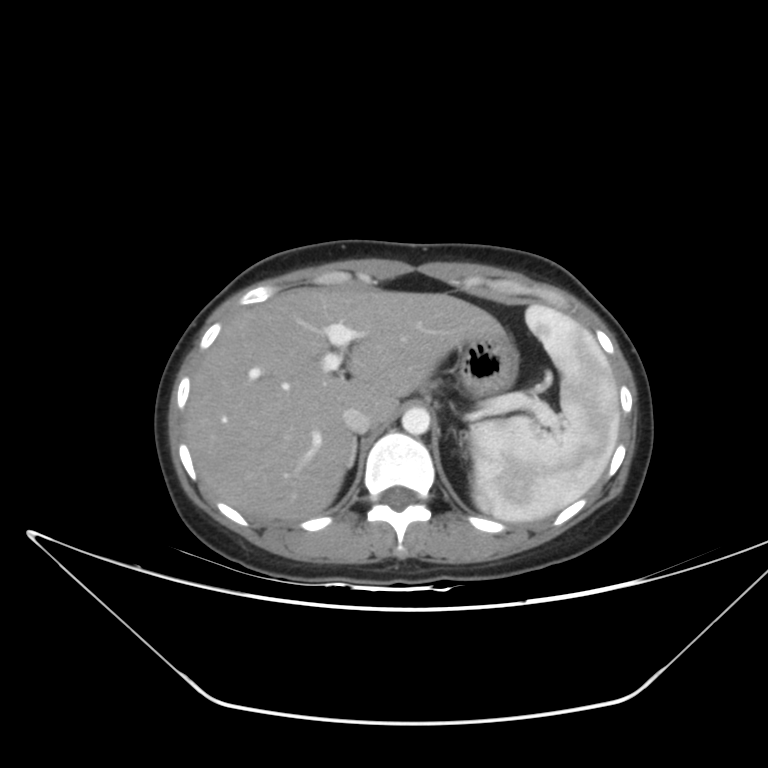
CT abdomen; axial view; 768x768 px; 34-year-old female patient; acquired on Brilliance16; 13 organs annotated in this scan (a whole-scan count: organs this slice does not pass through have no box)
Coordinates as <box>x1,y1,x2,y2</box> in pixels.
Organ bounding boxes:
- spleen: <box>469,304,620,523</box>
- liver: <box>185,287,496,521</box>
- stomach: <box>457,323,518,396</box>
- aorta: <box>402,406,430,435</box>
- inferior vena cava: <box>343,407,371,433</box>
- right adrenal gland: <box>348,438,355,466</box>